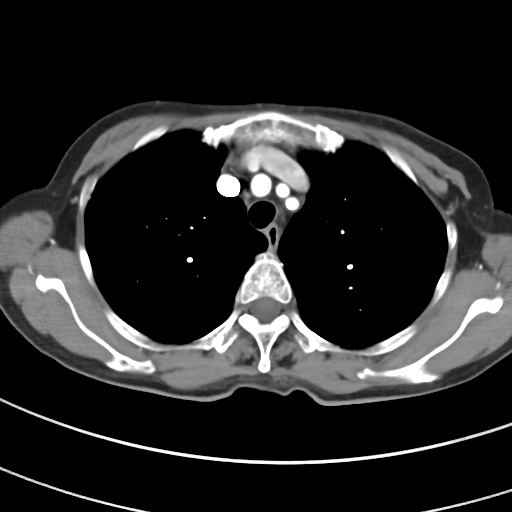
Chest-level CT slice, above the liver and spleen — axial plane, index 106 — 512x512 px — SOMATOM Force scanner — scan has 15 labeled organs (counted over the whole 3D scan, not this slice; an organ is boxed only where this slice passes through it)
At this level of the chest no structure but the esophagus and the aorta has a label in this dataset, and those two are boxed only where they are labeled.
One row per box, in pixels: columns x1 and y1 give the top-left corner, x2 and y2 the bottom-right.
| organ | x1 | y1 | x2 | y2 |
|---|---|---|---|---|
| esophagus | 265 | 223 | 279 | 247 |